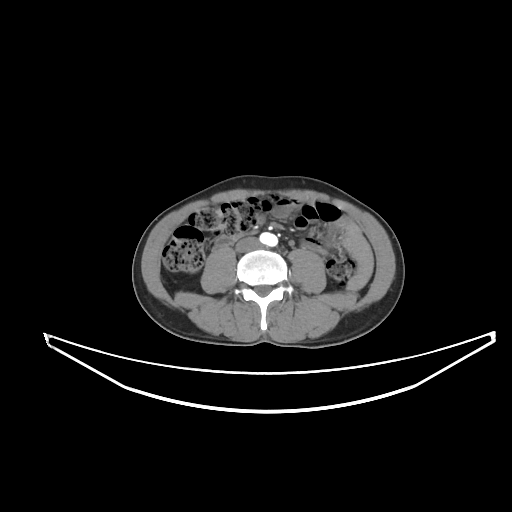 Computed tomography, abdomen — axial view — 52-year-old male patient
{"organs":{"aorta":[260,232,277,246],"inferior vena cava":[235,237,260,252],"duodenum":[216,231,256,246]}}